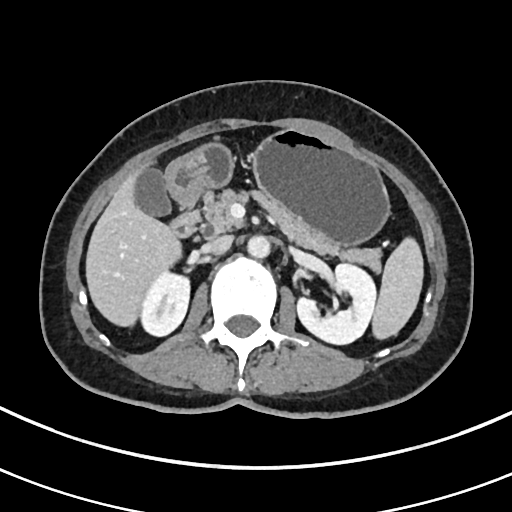
CT abdomen — axial view — 512x512 px
Boxes are (x1, y1, x2, y2) in pixels.
Organ bounding boxes:
- spleen: (371, 238, 422, 339)
- right kidney: (142, 269, 190, 337)
- left kidney: (297, 262, 376, 343)
- gall bladder: (132, 168, 169, 215)
- liver: (86, 176, 179, 324)
- stomach: (164, 129, 389, 243)
- aorta: (247, 234, 270, 257)
- inferior vena cava: (202, 235, 232, 254)
- pancreas: (200, 192, 383, 270)
- duodenum: (167, 210, 199, 237)